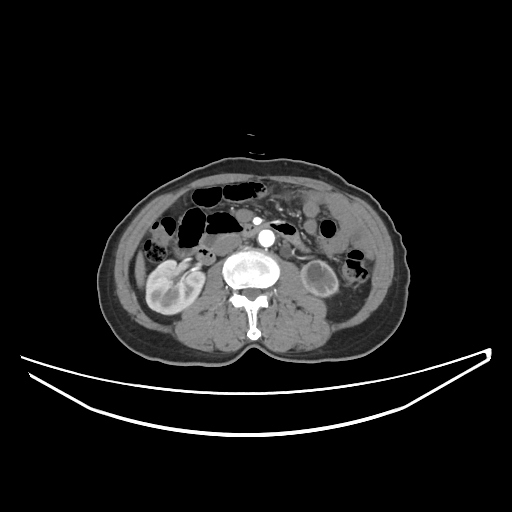
Abdominal CT. axial view
<organs><organ name="right kidney" x1="146" y1="260" x2="204" y2="314"/><organ name="left kidney" x1="301" y1="260" x2="338" y2="296"/><organ name="liver" x1="135" y1="252" x2="145" y2="287"/><organ name="aorta" x1="257" y1="229" x2="274" y2="247"/><organ name="inferior vena cava" x1="214" y1="235" x2="241" y2="255"/><organ name="duodenum" x1="194" y1="213" x2="269" y2="264"/></organs>